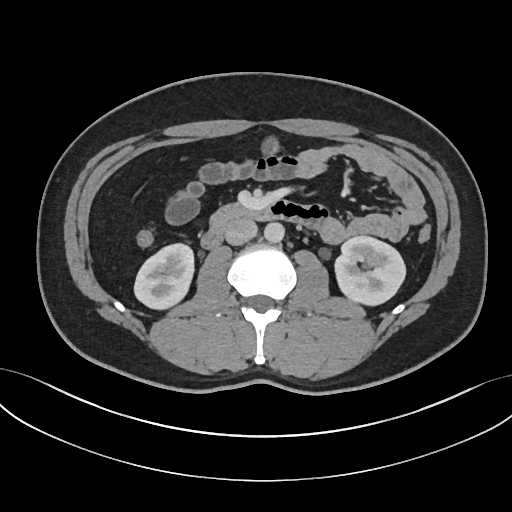 Abdominal CT · axial plane, index 154
Organ boxes in pixel coordinates; each row gives the top-left (x1, y1) and bottom-right (x2, y2) corners.
| organ | x1 | y1 | x2 | y2 |
|---|---|---|---|---|
| right kidney | 135 | 244 | 193 | 309 |
| left kidney | 335 | 236 | 406 | 305 |
| aorta | 264 | 221 | 284 | 242 |
| inferior vena cava | 225 | 218 | 257 | 244 |
| duodenum | 202 | 200 | 321 | 248 |